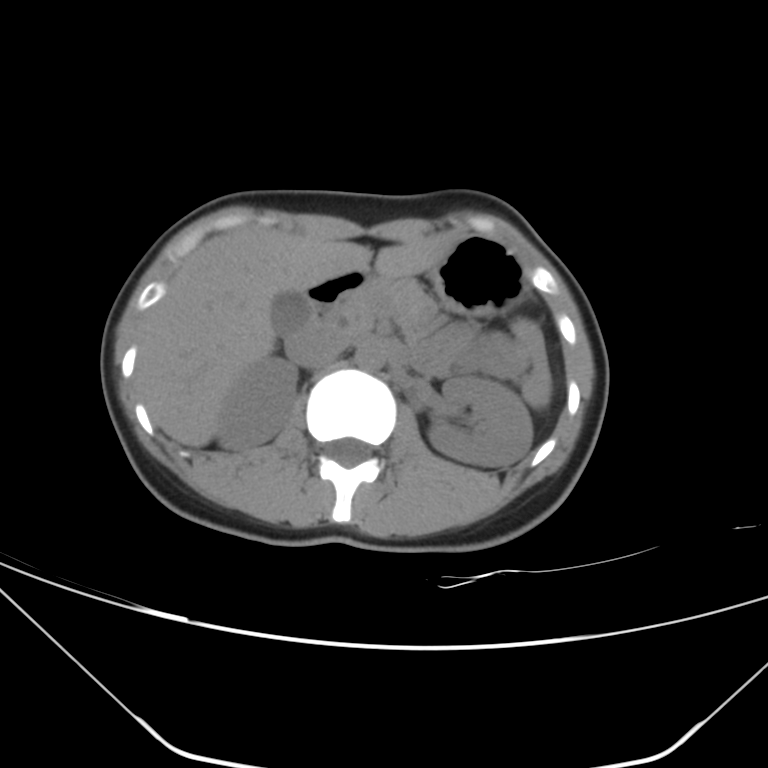
Abdominal CT; axial view; Brilliance16 scanner
Each box given as x1,y1,x2,y2.
aorta: x1=356, y1=340, x2=386, y2=370
gall bladder: x1=271, y1=292, x2=310, y2=334
stomach: x1=431, y1=235, x2=527, y2=315
right kidney: x1=216, y1=359, x2=298, y2=449
liver: x1=136, y1=228, x2=446, y2=446
left kidney: x1=428, y1=376, x2=532, y2=467
duodenum: x1=305, y1=272, x2=369, y2=329
inferior vena cava: x1=285, y1=328, x2=349, y2=368
pancreas: x1=337, y1=278, x2=436, y2=339